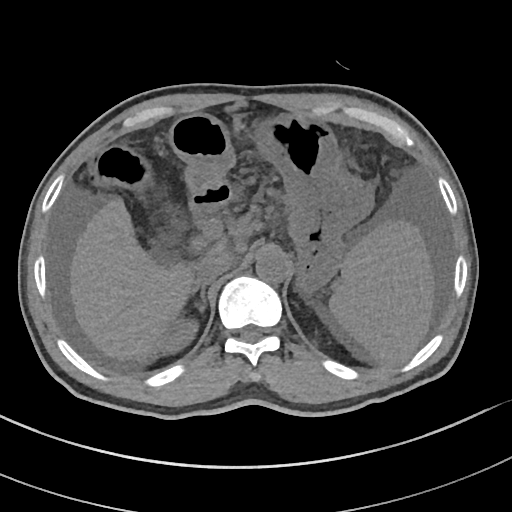
CT, abdomen/pelvis. axial plane, index 162
Organ boxes in pixel coordinates; each row gives the top-left (x1, y1) and bottom-right (x2, y2) corners.
| organ | x1 | y1 | x2 | y2 |
|---|---|---|---|---|
| spleen | 329 | 220 | 434 | 364 |
| right kidney | 157 | 318 | 198 | 354 |
| liver | 70 | 198 | 223 | 360 |
| stomach | 169 | 113 | 373 | 293 |
| aorta | 255 | 248 | 290 | 283 |
| inferior vena cava | 195 | 250 | 233 | 284 |
| right adrenal gland | 192 | 285 | 206 | 314 |
| duodenum | 190 | 186 | 229 | 214 |